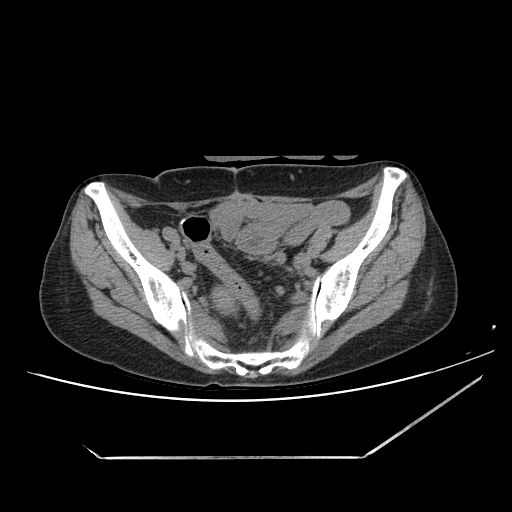 CT abdomen · axial view · soft-tissue window (W 400 / L 40)
{"organs":{"prostate/uterus":[211,286,238,312]}}